Computed tomography, abdomen; axial view
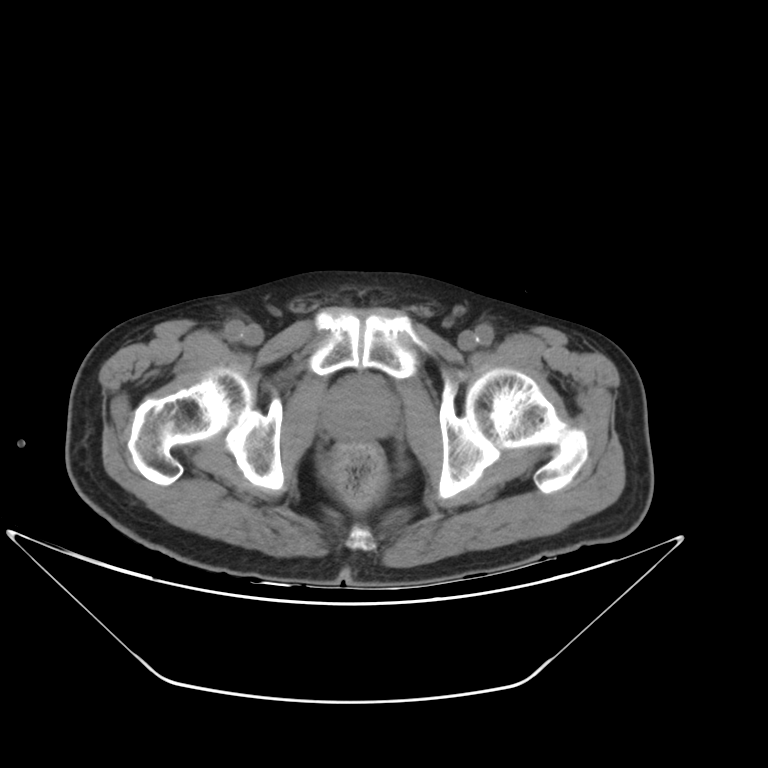

Boxes are (x1, y1, x2, y2) in pixels.
prostate/uterus: (323, 375, 398, 439)